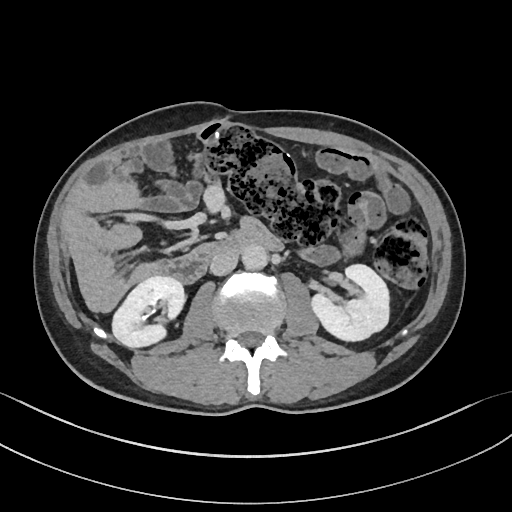
CT, abdomen/pelvis; axial plane, index 146; 512x512 px
Box edges are left/top/right/bottom in pixels.
Organ bounding boxes:
- right kidney: left=112, top=276, right=185, bottom=347
- left kidney: left=311, top=264, right=389, bottom=340
- aorta: left=241, top=244, right=268, bottom=269
- inferior vena cava: left=210, top=251, right=238, bottom=275
- duodenum: left=149, top=228, right=283, bottom=283